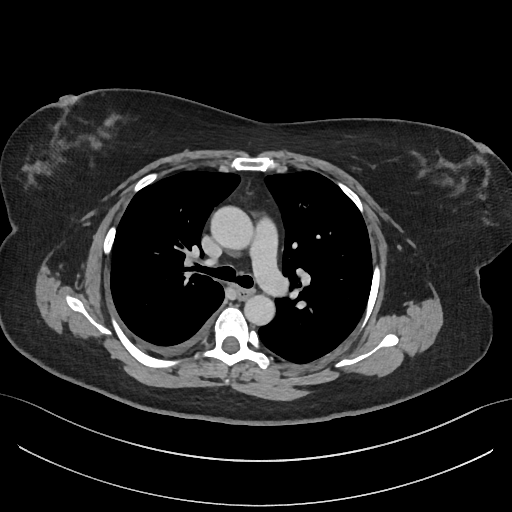
Abdominal CT reaching into the chest; this slice is in the chest; axial plane, index 251; soft-tissue window
At this level of the chest no structure but the esophagus and the aorta has a label in this dataset, and those two are boxed only where they are labeled. Boxes: x1:y1:x2:y2 in pixels. The annotated organs in this slice are: aorta at 210:206:253:250, aorta at 244:295:275:325, esophagus at 238:289:252:298.